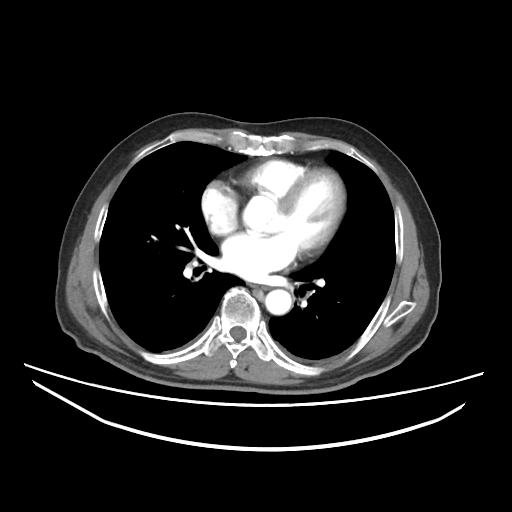 Lower-chest slice from an abdominal CT, just above the liver and spleen · axial plane, index 93 · soft-tissue window · Aquilion ONE scanner
No part of the heart or lungs is labeled in this dataset, so neither has a box here.
Each box given as x1,y1,x2,y2.
Organ bounding boxes:
- aorta: x1=265, y1=289, x2=291, y2=314
- esophagus: x1=252, y1=283, x2=267, y2=289